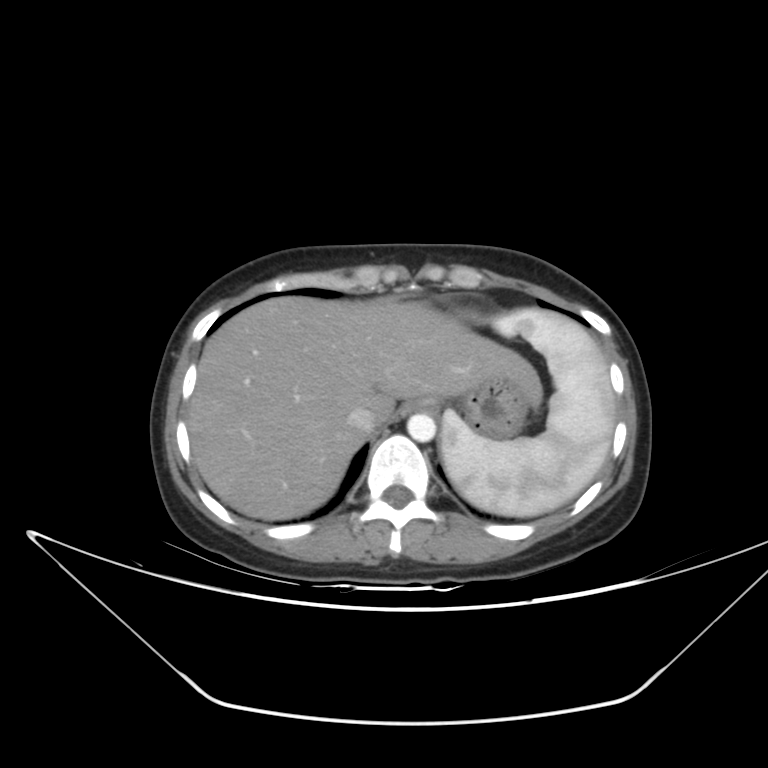 Computed tomography, abdomen · Axial slice 31/72 · abdomen soft-tissue window · 768x768 px
<organs><organ name="spleen" x1="441" y1="309" x2="616" y2="517"/><organ name="esophagus" x1="401" y1="400" x2="431" y2="414"/><organ name="liver" x1="188" y1="296" x2="540" y2="520"/><organ name="stomach" x1="460" y1="376" x2="530" y2="438"/><organ name="aorta" x1="407" y1="413" x2="435" y2="441"/><organ name="inferior vena cava" x1="347" y1="406" x2="375" y2="432"/></organs>